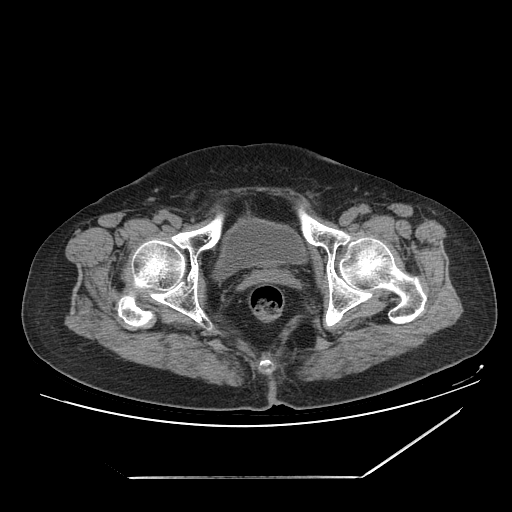

CT, abdomen/pelvis — Axial slice 24/163 — soft-tissue window (W 400 / L 40)
One row per box, in pixels: columns x1 and y1 give the top-left corner, x2 and y2 the bottom-right.
| organ | x1 | y1 | x2 | y2 |
|---|---|---|---|---|
| bladder | 223 | 218 | 302 | 271 |